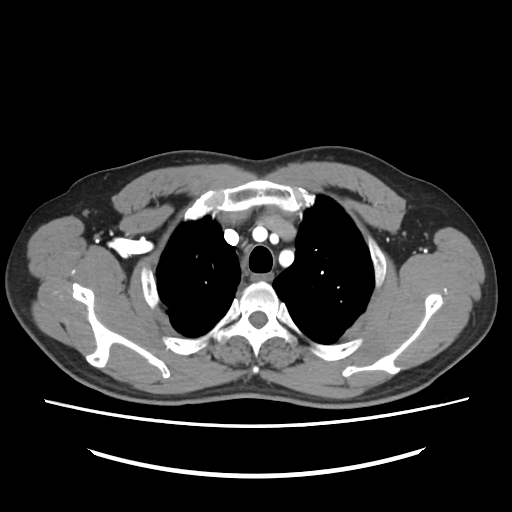 Abdominal CT reaching into the chest; this slice is in the chest · axial view · 512x512 px · Aquilion ONE scanner
At this level of the chest no structure but the esophagus and the aorta has a label in this dataset, and those two are boxed only where they are labeled.
Bounding boxes as [x1, y1, x2, y2] in pixel coordinates.
Organ bounding boxes:
- esophagus: [251, 273, 273, 282]